CT, abdomen/pelvis · axial view · 768x768 px · 64-year-old male patient · scan has 15 labeled organs (that count is for the whole scan; organs this slice misses have no box)
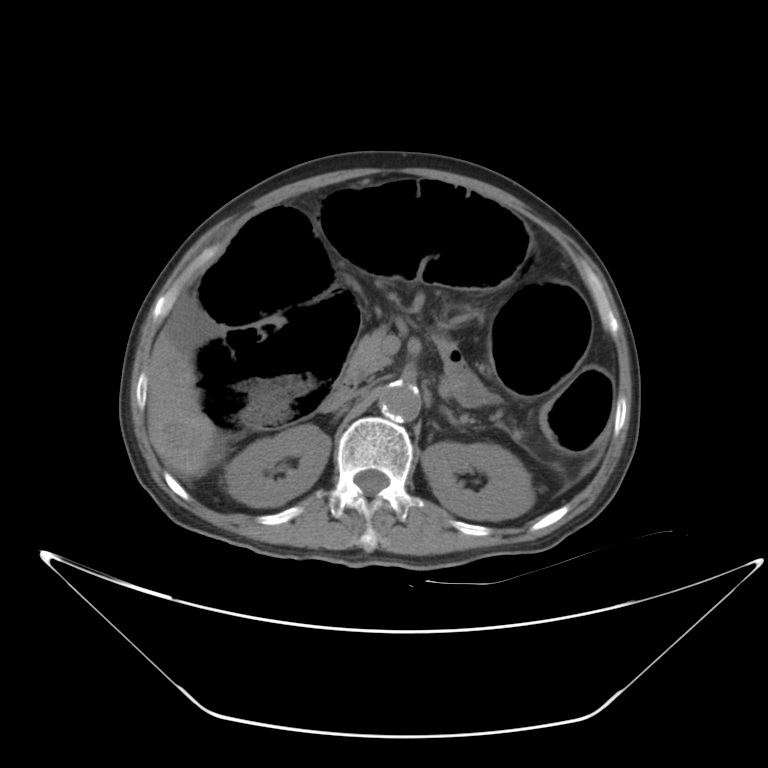 <organs><organ name="right kidney" x1="225" y1="424" x2="330" y2="506"/><organ name="left kidney" x1="421" y1="442" x2="534" y2="520"/><organ name="liver" x1="147" y1="329" x2="217" y2="478"/><organ name="aorta" x1="379" y1="380" x2="421" y2="421"/><organ name="inferior vena cava" x1="323" y1="392" x2="354" y2="411"/><organ name="pancreas" x1="343" y1="328" x2="391" y2="384"/><organ name="left adrenal gland" x1="445" y1="410" x2="459" y2="425"/><organ name="duodenum" x1="332" y1="377" x2="355" y2="395"/></organs>